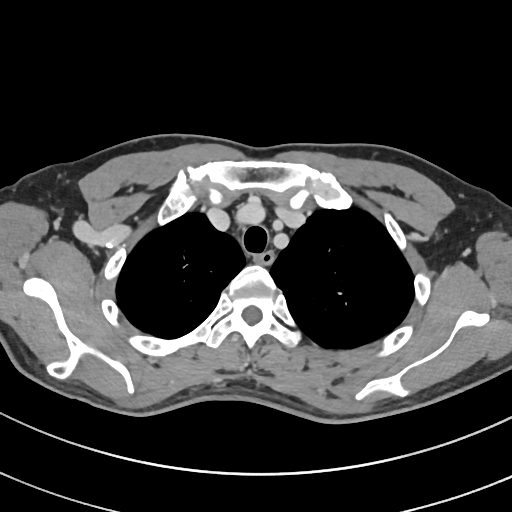
Chest-level CT slice, above the liver and spleen — axial view — 15 organs annotated in this scan (that count is for the whole scan; organs this slice misses have no box)
At this level of the chest this dataset labels only the esophagus and the aorta, and each is boxed only where it is labeled; the heart and lungs are never labeled.
{"organs":{"esophagus":[255,251,274,264]}}